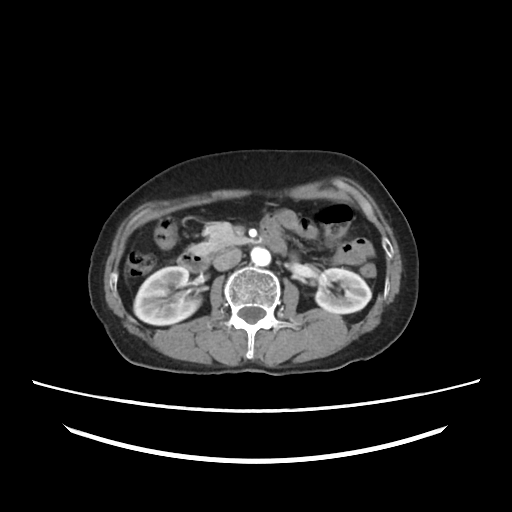 CT abdomen; axial plane, index 60; 512x512 px; 62-year-old female patient
{"organs":{"right kidney":[134,266,200,325],"left kidney":[315,268,371,313],"aorta":[251,247,270,266],"inferior vena cava":[213,249,241,270],"pancreas":[190,222,250,255],"duodenum":[177,238,286,272]}}